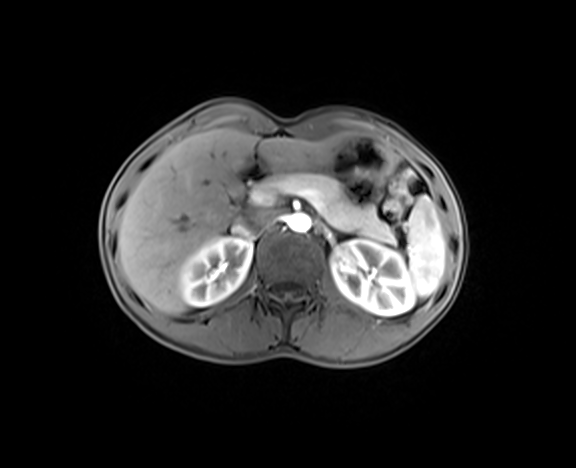

Magnetic resonance imaging, abdomen — axial plane, index 39 — 576x468 px
<organs><organ name="spleen" x1="405" y1="196" x2="446" y2="296"/><organ name="right kidney" x1="179" y1="236" x2="252" y2="306"/><organ name="left kidney" x1="331" y1="240" x2="415" y2="315"/><organ name="liver" x1="117" y1="128" x2="350" y2="314"/><organ name="stomach" x1="312" y1="138" x2="392" y2="186"/><organ name="aorta" x1="287" y1="214" x2="311" y2="233"/><organ name="inferior vena cava" x1="233" y1="208" x2="274" y2="230"/><organ name="pancreas" x1="260" y1="172" x2="396" y2="244"/><organ name="duodenum" x1="235" y1="160" x2="269" y2="197"/></organs>